Abdominal CT reaching into the chest; this slice is in the chest. Axial slice 300/306. 512x512 px
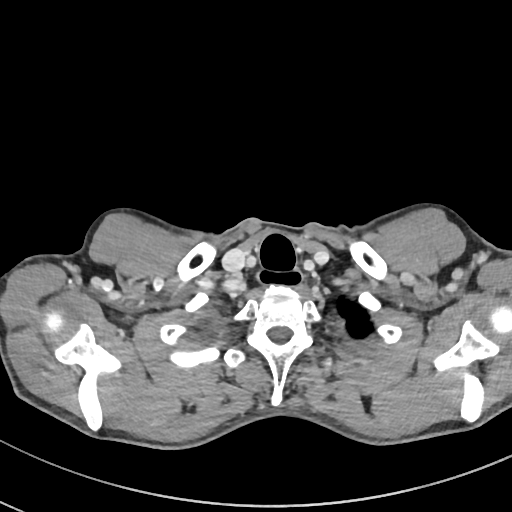 At this level of the chest no structure but the esophagus and the aorta has a label in this dataset, and those two are boxed only where they are labeled.
<organs><organ name="esophagus" x1="257" y1="271" x2="302" y2="286"/></organs>